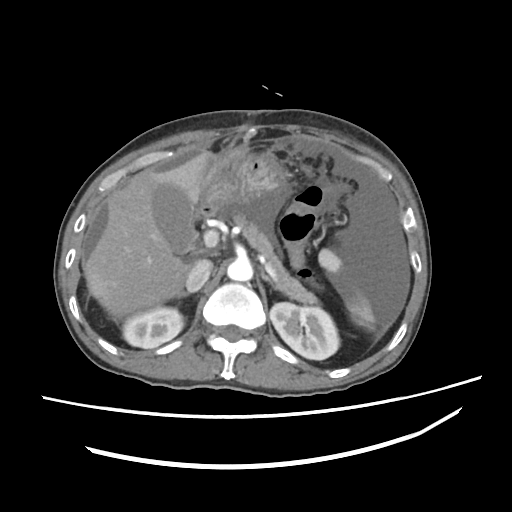 CT abdomen; axial view
{"organs":{"aorta":[228,259,254,281],"pancreas":[232,213,315,301],"duodenum":[201,205,215,215],"left kidney":[270,303,338,360],"right kidney":[120,307,185,348],"left adrenal gland":[259,265,273,287],"gall bladder":[152,185,195,250],"liver":[82,154,207,322],"inferior vena cava":[186,259,211,291],"spleen":[318,249,376,330],"right adrenal gland":[176,292,190,300],"stomach":[201,153,284,212]}}